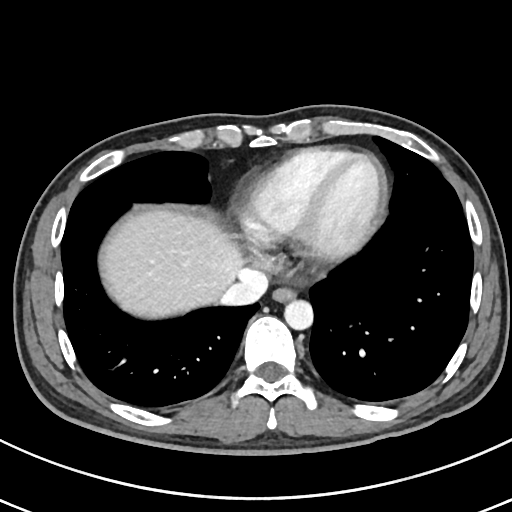

Abdominal CT · axial view · soft-tissue window (W 400 / L 40) · 512x512 px · acquired on SOMATOM Force
<organs><organ name="inferior vena cava" x1="220" y1="268" x2="267" y2="306"/><organ name="liver" x1="102" y1="211" x2="246" y2="319"/><organ name="esophagus" x1="272" y1="286" x2="296" y2="301"/><organ name="aorta" x1="283" y1="299" x2="312" y2="329"/></organs>